Lower-chest slice from an abdominal CT, just above the liver and spleen. axial view. soft-tissue window (W 400 / L 40). 512x512 px. scan has 15 labeled organs (a whole-scan count: organs this slice does not pass through have no box)
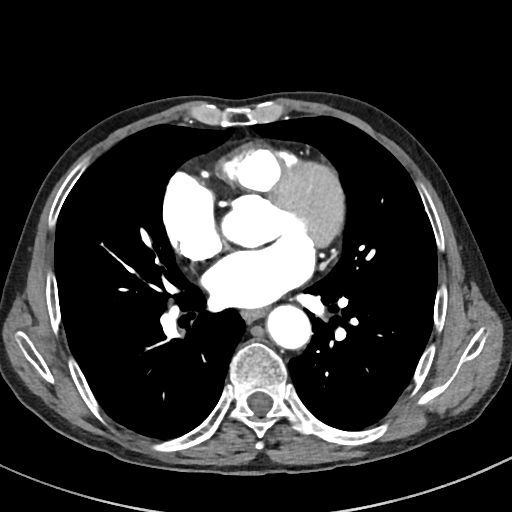 The heart and lungs are never labeled in this dataset, so they have no box on this slice.
One row per box, in pixels: columns x1 and y1 give the top-left corner, x2 and y2 the bottom-right.
| organ | x1 | y1 | x2 | y2 |
|---|---|---|---|---|
| aorta | 266 | 304 | 311 | 349 |
| esophagus | 242 | 309 | 264 | 320 |